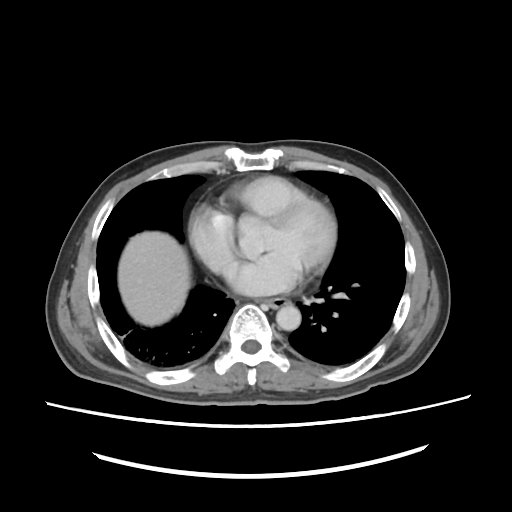
Computed tomography, abdomen · Axial slice 92/126 · 45-year-old male patient
One row per box, in pixels: columns x1 and y1 give the top-left corner, x2 and y2 the bottom-right.
| organ | x1 | y1 | x2 | y2 |
|---|---|---|---|---|
| esophagus | 269 | 297 | 287 | 309 |
| liver | 117 | 230 | 191 | 325 |
| aorta | 276 | 307 | 300 | 329 |